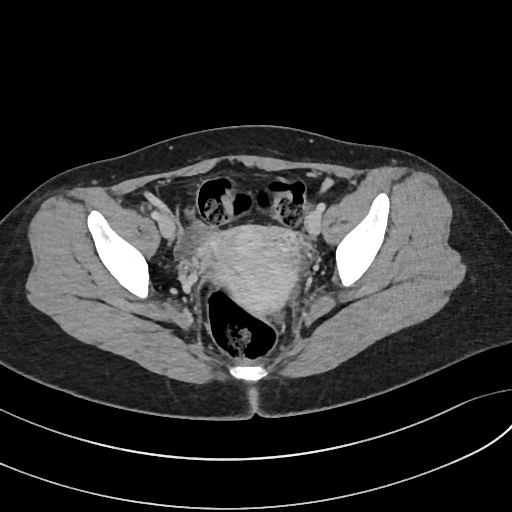
Abdominal CT · axial view · SOMATOM Force scanner
{"organs":{"prostate/uterus":[206,225,298,313]}}